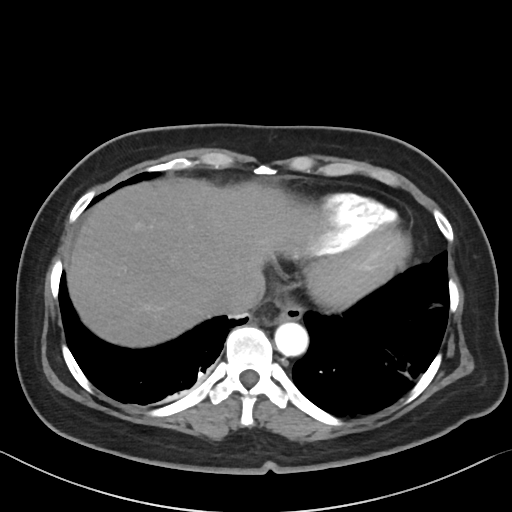

Abdominal CT; axial view; abdomen soft-tissue window; acquired on SOMATOM Force
Each box given as x1,y1,x2,y2.
inferior vena cava: x1=218, y1=277, x2=265, y2=314
esophagus: x1=274, y1=301, x2=303, y2=322
aorta: x1=275, y1=322, x2=308, y2=356
liver: x1=67, y1=178, x2=301, y2=347